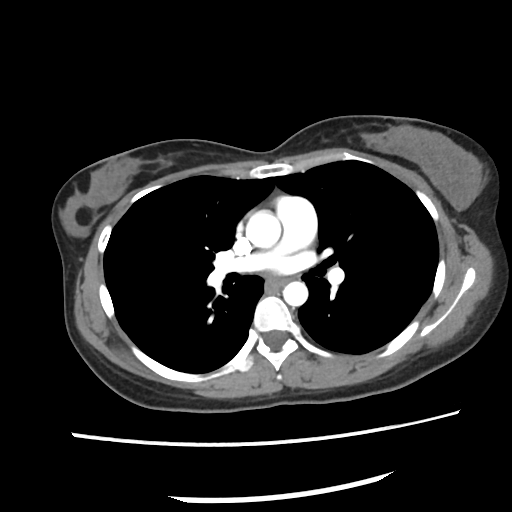

CT of the abdomen extending into the chest, slice through the chest; Axial slice 100/124
On a slice this high in the chest, this dataset labels only the esophagus and the aorta, and each is boxed only where it is labeled; the heart, lungs and other chest structures are not labeled.
Boxes are (x1, y1, x2, y2) in pixels.
esophagus: (277, 277, 290, 287)
aorta: (245, 209, 280, 247)
aorta: (284, 280, 308, 304)